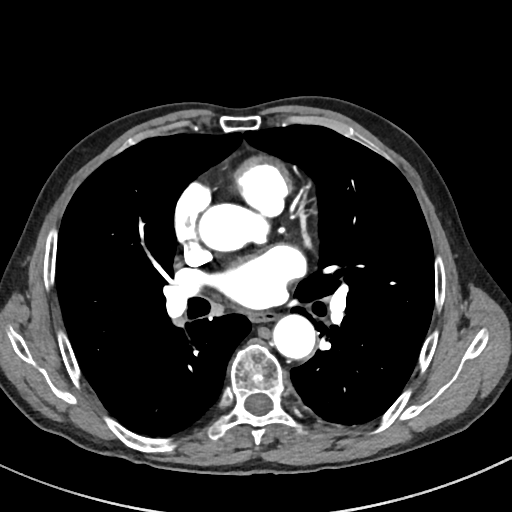 Chest-level CT slice, above the liver and spleen. axial view. soft-tissue window. 512x512 px. acquired on SOMATOM Force
At this level of the chest no structure but the esophagus and the aorta has a label in this dataset, and those two are boxed only where they are labeled.
Boxes are (x1, y1, x2, y2) in pixels.
Organ bounding boxes:
- esophagus: (249, 312, 275, 322)
- aorta: (198, 204, 267, 250)
- aorta: (272, 313, 315, 358)